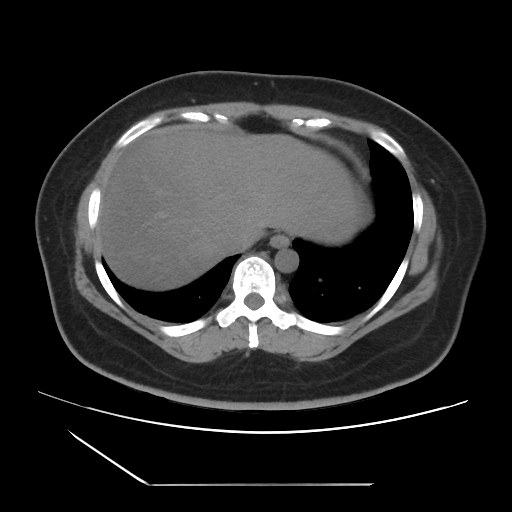
CT abdomen — axial view
{"organs":{"esophagus":[270,235,289,248],"liver":[98,126,356,290],"stomach":[320,201,361,243],"aorta":[274,248,298,272],"inferior vena cava":[226,229,258,252]}}